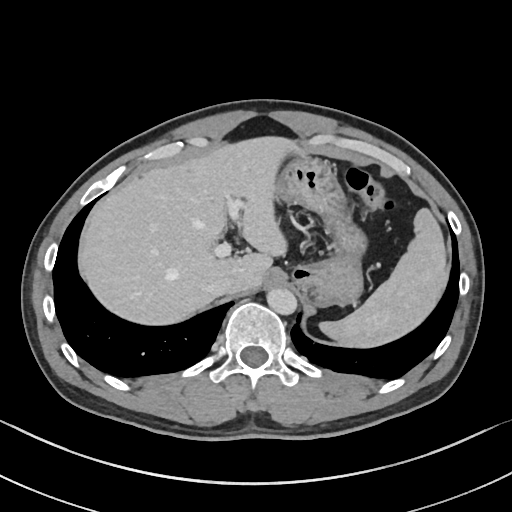

Computed tomography, abdomen; axial view; abdomen soft-tissue window; SOMATOM Force scanner
Coordinates as <box>x1,y1,x2,y2</box> in pixels. Labeled organs on this slice: spleen at <box>319,208,448,347</box>, liver at <box>78,136,307,324</box>, stomach at <box>275,156,367,307</box>, aorta at <box>266,288,297,314</box>, inferior vena cava at <box>208,277,235,295</box>.